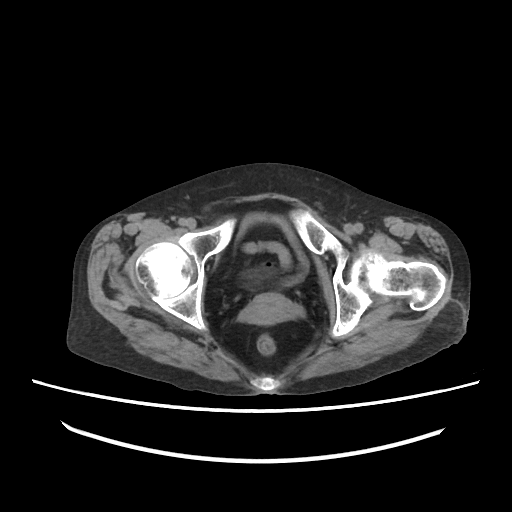
Abdominal CT · axial view · 512x512 px · 61-year-old female patient · acquired on Aquilion ONE
Coordinates as <box>x1,y1,x2,y2</box> in pixels. 2 labeled organs on this slice — prostate/uterus at <box>242,293,298,324</box>; bladder at <box>240,213,308,284</box>.